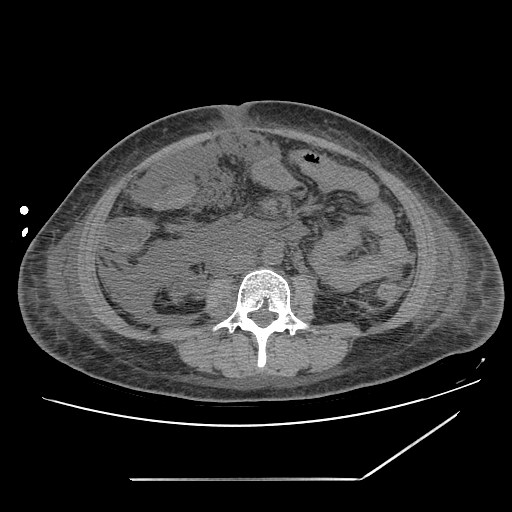
Abdominal CT · axial view · abdomen soft-tissue window · 512x512 px
<organs><organ name="right kidney" x1="169" y1="285" x2="185" y2="297"/><organ name="aorta" x1="262" y1="245" x2="282" y2="264"/><organ name="inferior vena cava" x1="228" y1="254" x2="254" y2="274"/></organs>